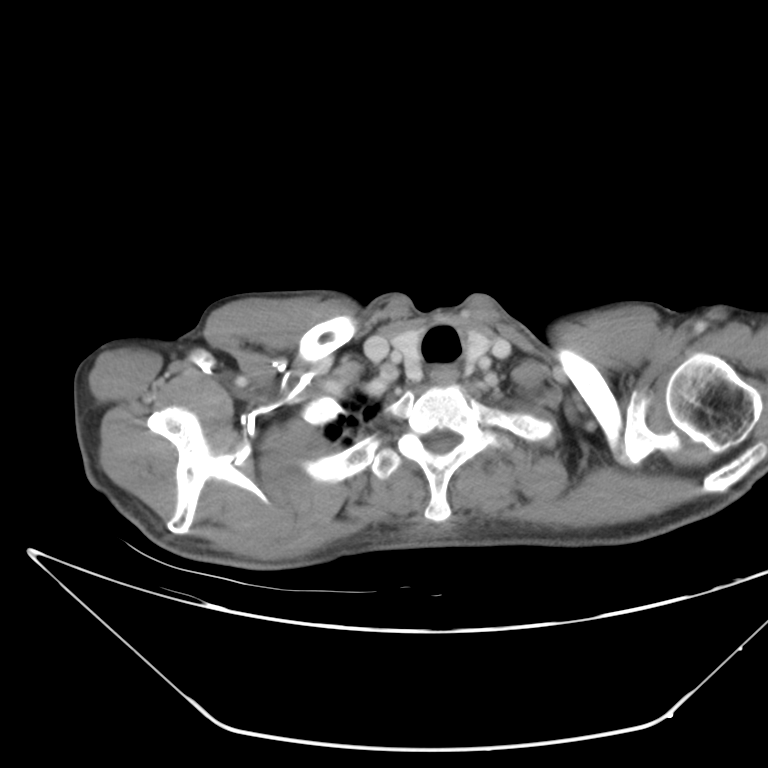
CT of the abdomen extending into the chest, slice through the chest — Axial slice 101/104 — soft-tissue window (W 400 / L 40) — 768x768 px
At this level of the chest no structure but the esophagus and the aorta has a label in this dataset, and those two are boxed only where they are labeled.
Boxes: x1:y1:x2:y2 in pixels.
Organ bounding boxes:
- esophagus: 431:364:458:383